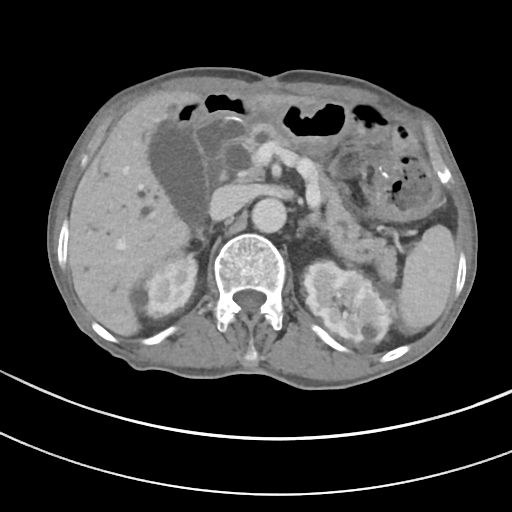

Computed tomography, abdomen. axial view
<organs><organ name="spleen" x1="397" y1="225" x2="456" y2="333"/><organ name="right kidney" x1="132" y1="253" x2="197" y2="317"/><organ name="left kidney" x1="303" y1="261" x2="392" y2="351"/><organ name="gall bladder" x1="149" y1="120" x2="209" y2="215"/><organ name="liver" x1="69" y1="91" x2="318" y2="335"/><organ name="stomach" x1="174" y1="121" x2="441" y2="221"/><organ name="aorta" x1="251" y1="198" x2="286" y2="233"/><organ name="inferior vena cava" x1="209" y1="186" x2="244" y2="221"/><organ name="pancreas" x1="244" y1="123" x2="396" y2="279"/><organ name="left adrenal gland" x1="301" y1="211" x2="325" y2="232"/><organ name="duodenum" x1="196" y1="116" x2="246" y2="182"/></organs>